CT of the abdomen reaching into the lower chest, slice just above the liver and spleen · axial view
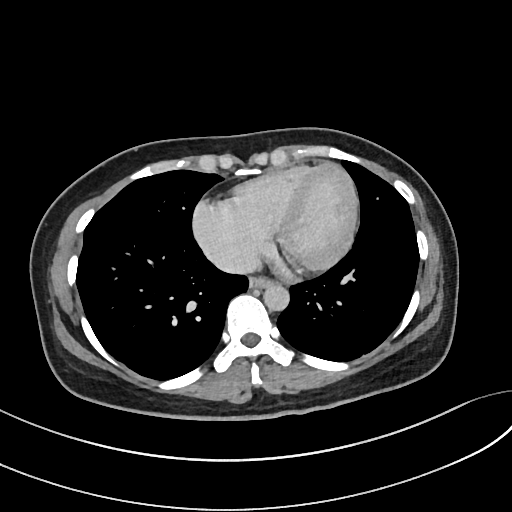
The heart and lungs are never labeled in this dataset, so they have no box on this slice. Each box given as x1,y1,x2,y2. Labeled organs on this slice: esophagus at x1=249, y1=275, x2=270, y2=287, aorta at x1=263, y1=283, x2=289, y2=310, inferior vena cava at x1=212, y1=248, x2=256, y2=273.